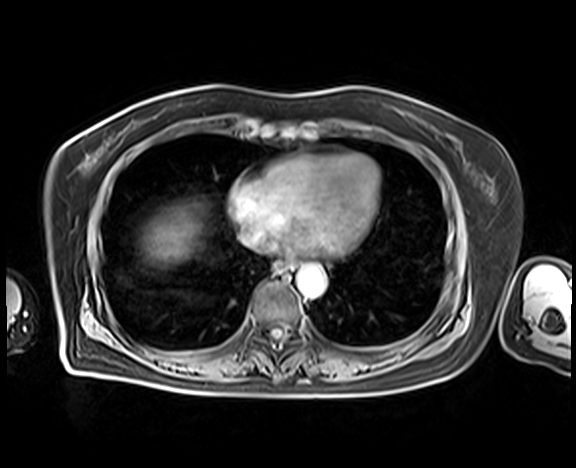
Magnetic resonance imaging, abdomen · Axial slice 61/72 · 1st–99th percentile window
Coordinates as <box>x1,y1,x2,y2</box> in pixels.
Organ bounding boxes:
- liver: <box>144,208,201,262</box>
- inferior vena cava: <box>241,228,276,254</box>
- aorta: <box>297,267,324,297</box>
- esophagus: <box>275,261,292,274</box>